CT abdomen · Axial slice 212/237 · scan has 15 labeled organs (a whole-scan count: organs this slice does not pass through have no box)
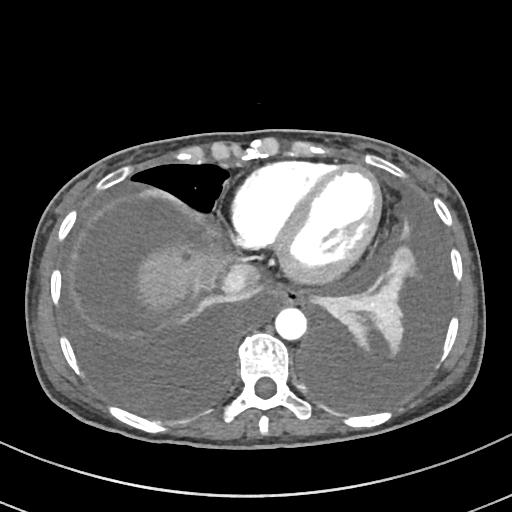
Coordinates as <box>x1,y1,x2,y2</box> in pixels.
inferior vena cava: <box>222,264,261,295</box>
esophagus: <box>268,283,302,305</box>
aorta: <box>274,307,306,339</box>
liver: <box>135,243,235,312</box>